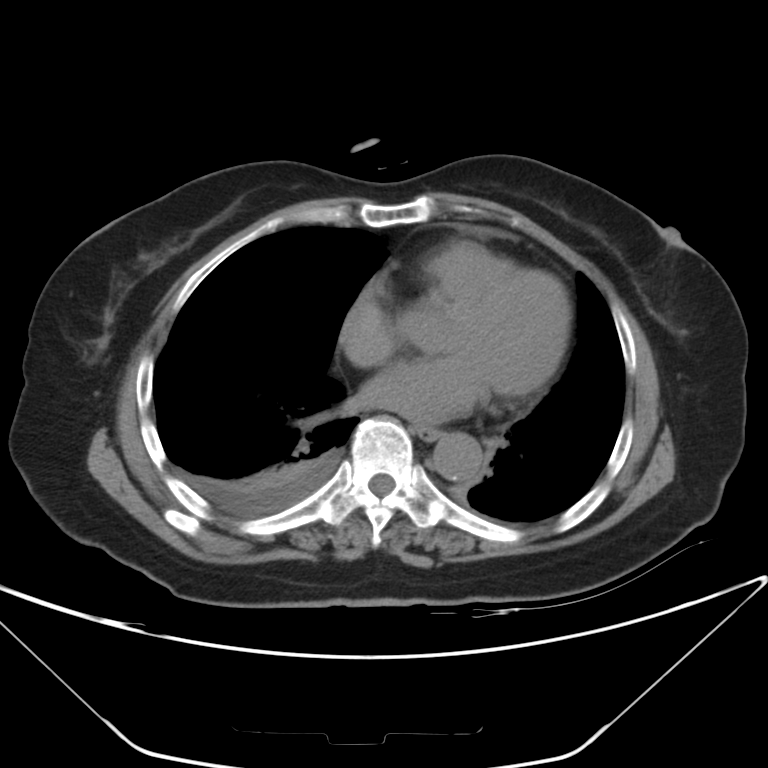 Lower-chest slice from an abdominal CT, just above the liver and spleen; axial view; 768x768 px
The heart and lungs are never labeled in this dataset, so they have no box on this slice.
{"organs":{"esophagus":[417,426,440,440],"aorta":[433,433,482,481]}}